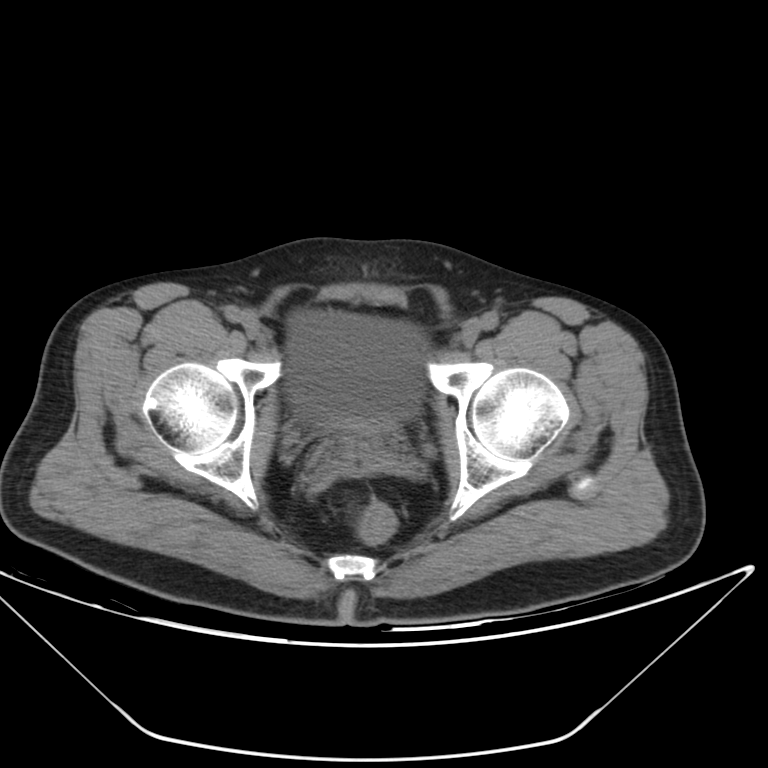

CT, abdomen/pelvis. Axial slice 17/99. soft-tissue window (W 400 / L 40). 768x768 px. acquired on Brilliance16
Boxes: x1 y1 x2 y2 (pixel coords, space-separated).
bladder: 287 310 425 436